CT, abdomen/pelvis. axial view. 512x512 px. scan has 15 labeled organs (a whole-scan count: organs this slice does not pass through have no box)
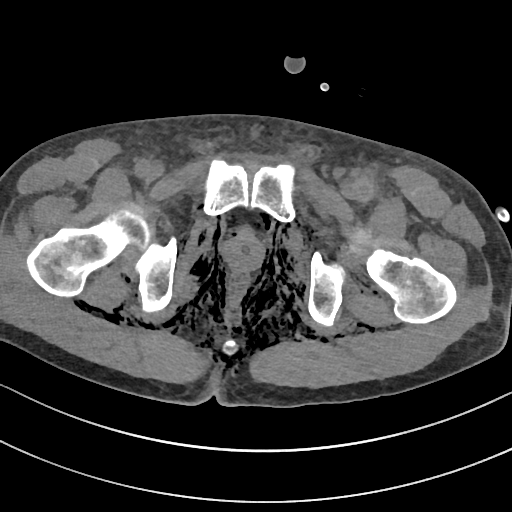 Boxes: x1:y1:x2:y2 in pixels.
Organ bounding boxes:
- prostate/uterus: 224:235:263:270